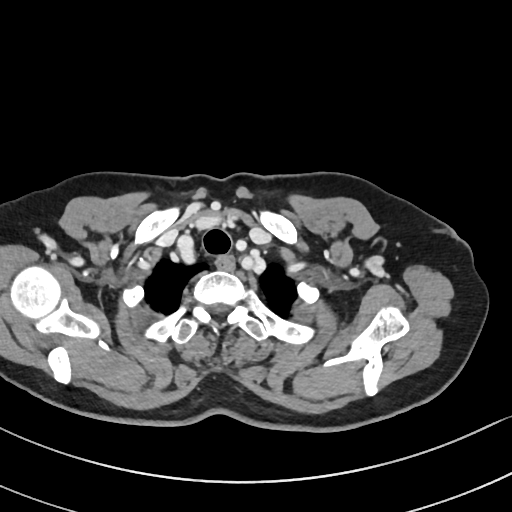
Abdominal CT reaching into the chest; this slice is in the chest — Axial slice 303/314 — soft-tissue window, W/L 400/40 — 512x512 px — scan has 14 labeled organs (that count is for the whole scan; organs this slice misses have no box)
At this level of the chest no structure but the esophagus and the aorta has a label in this dataset, and those two are boxed only where they are labeled.
Each box given as x1,y1,x2,y2.
Organ bounding boxes:
- esophagus: x1=215, y1=255, x2=235, y2=270